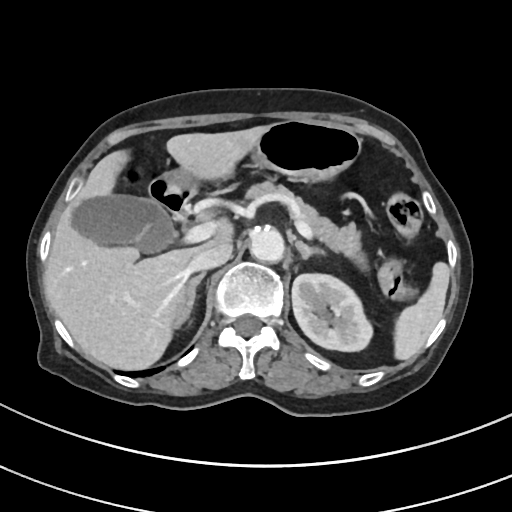 CT abdomen — axial plane, index 152 — 512x512 px — SOMATOM Force scanner
Coordinates as <box>x1,y1,x2,y2</box> in pixels.
Organ bounding boxes:
- liver: <box>44,125,269,369</box>
- aorta: <box>250,229,285,264</box>
- right adrenal gland: <box>173,273,205,327</box>
- duodenum: <box>149,177,193,218</box>
- spleen: <box>395,261,449,360</box>
- pancreas: <box>248,182,366,271</box>
- left kidney: <box>291,273,371,352</box>
- left adrenal gland: <box>296,239,324,260</box>
- stomach: <box>164,120,361,185</box>
- gall bladder: <box>70,194,174,251</box>
- inferior vena cava: <box>188,247,230,271</box>